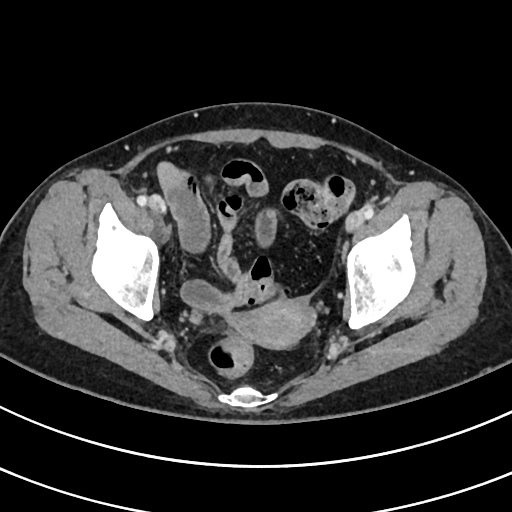

CT abdomen — Axial slice 31/192 — soft-tissue window (W 400 / L 40) — 512x512 px — scan has 15 labeled organs (counted over the whole 3D scan, not this slice; an organ is boxed only where this slice passes through it)
{"organs":{"prostate/uterus":[234,298,315,348]}}